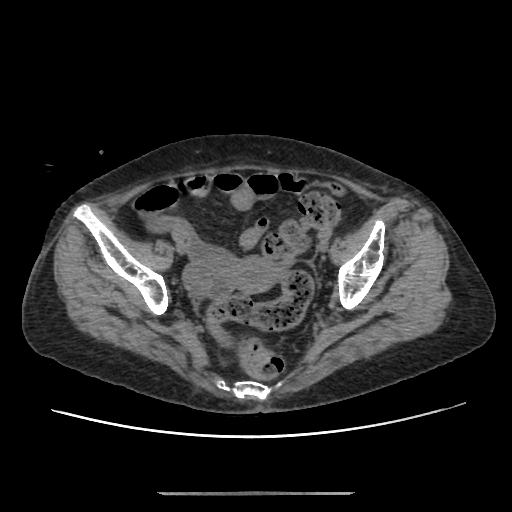

Computed tomography, abdomen. axial view. soft-tissue window
<organs><organ name="prostate/uterus" x1="232" y1="257" x2="276" y2="292"/></organs>